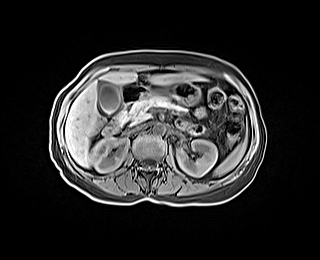

Abdominal MR · axial view · 1st–99th percentile window · 320x260 px
{"organs":{"spleen":[213,141,246,176],"right kidney":[90,137,129,172],"left kidney":[176,140,217,176],"gall bladder":[98,82,122,115],"liver":[65,71,204,167],"stomach":[145,82,200,104],"aorta":[153,123,165,134],"inferior vena cava":[134,125,143,129],"pancreas":[116,96,187,125],"duodenum":[103,83,147,134]}}